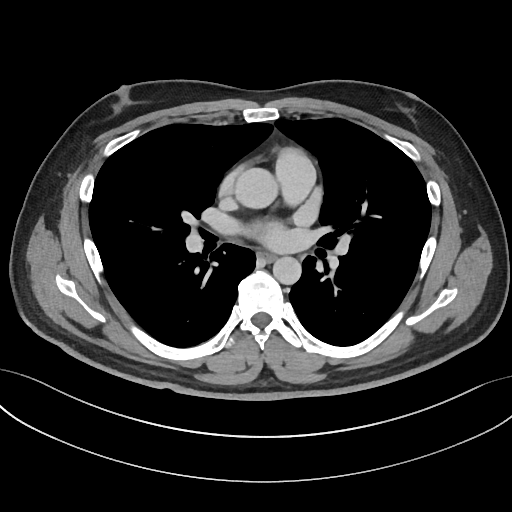

Chest-level CT slice, above the liver and spleen; axial view; 512x512 px
At this level of the chest this dataset labels only the esophagus and the aorta, and each is boxed only where it is labeled; the heart and lungs are never labeled.
One row per box, in pixels: columns x1 and y1 give the top-left corner, x2 and y2 the bottom-right.
| organ | x1 | y1 | x2 | y2 |
|---|---|---|---|---|
| esophagus | 257 | 252 | 275 | 262 |
| aorta | 235 | 168 | 279 | 207 |
| aorta | 272 | 256 | 301 | 284 |